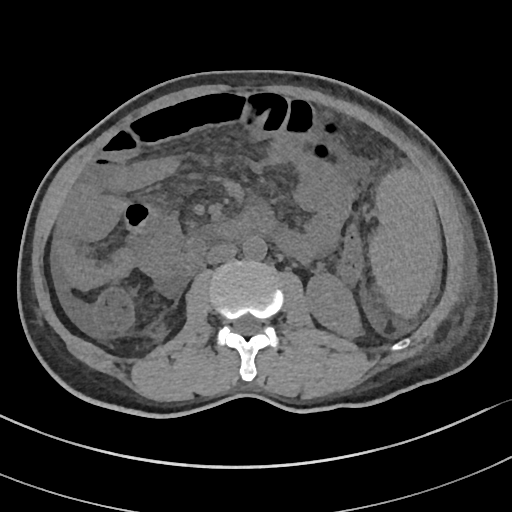
CT, abdomen/pelvis · axial plane, index 117
Each box given as x1,y1,x2,y2.
Organ bounding boxes:
- right kidney: x1=151, y1=326, x2=162, y2=337
- spleen: x1=369, y1=171, x2=439, y2=315
- aorta: x1=242, y1=236, x2=266, y2=259
- duodenum: x1=179, y1=210, x2=271, y2=272
- inferior vena cava: x1=206, y1=243, x2=236, y2=263
- left kidney: x1=307, y1=275, x2=360, y2=336